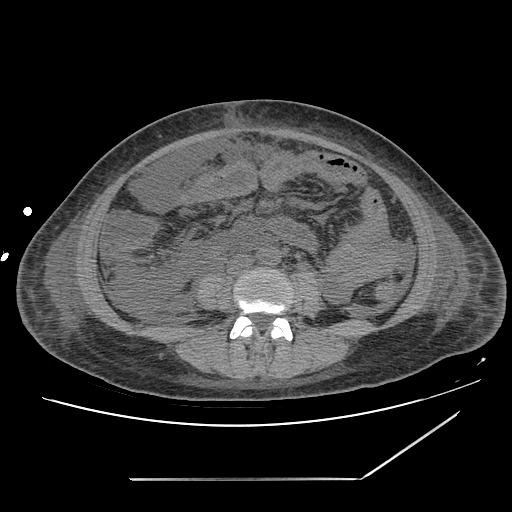 Computed tomography, abdomen · axial plane, index 81 · SOMATOM Force scanner · 15 organs annotated in this scan (counted over the whole 3D scan, not this slice; an organ is boxed only where this slice passes through it)
{"organs":{"aorta":[255,248,280,265],"inferior vena cava":[227,255,253,275]}}